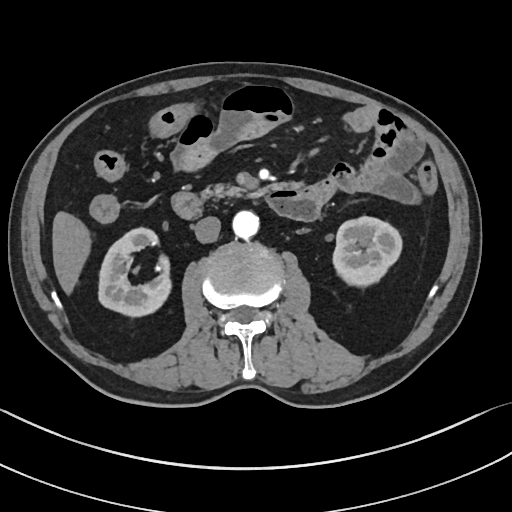

Abdominal CT — Axial slice 134/306 — SOMATOM Force scanner
<organs><organ name="right kidney" x1="98" y1="228" x2="171" y2="318"/><organ name="left kidney" x1="332" y1="216" x2="403" y2="284"/><organ name="liver" x1="52" y1="211" x2="90" y2="294"/><organ name="aorta" x1="232" y1="211" x2="258" y2="239"/><organ name="inferior vena cava" x1="193" y1="216" x2="220" y2="243"/><organ name="pancreas" x1="200" y1="184" x2="263" y2="200"/><organ name="duodenum" x1="172" y1="189" x2="317" y2="219"/></organs>